CT abdomen; axial view; Brilliance16 scanner
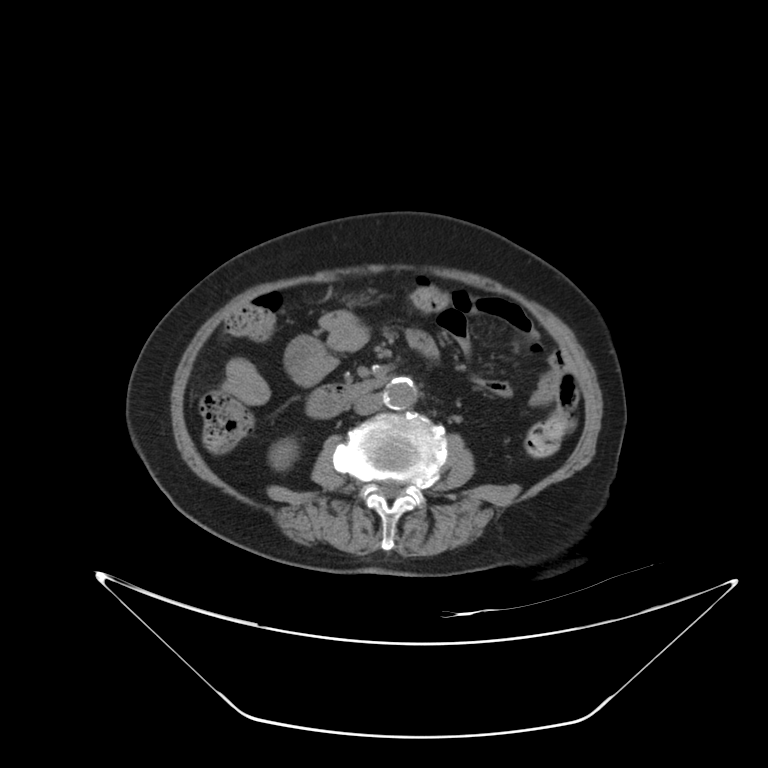

Bounding boxes as [x1, y1, x2, y2] in pixel coordinates.
aorta: [384, 378, 417, 409]
right kidney: [273, 442, 295, 469]
duodenum: [306, 377, 387, 418]
inferior vena cava: [354, 394, 383, 414]